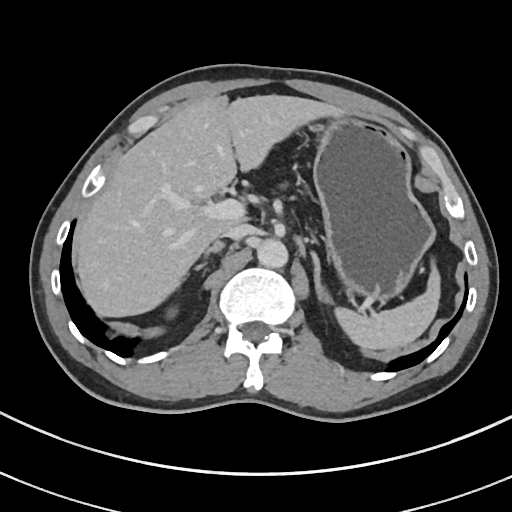 CT, abdomen/pelvis · axial view · 512x512 px · acquired on SOMATOM Force
{"organs":{"left adrenal gland":[309,251,332,304],"aorta":[257,238,286,267],"liver":[79,94,338,316],"right adrenal gland":[205,241,223,270],"stomach":[308,109,434,297],"spleen":[338,263,442,350],"inferior vena cava":[220,224,254,240]}}